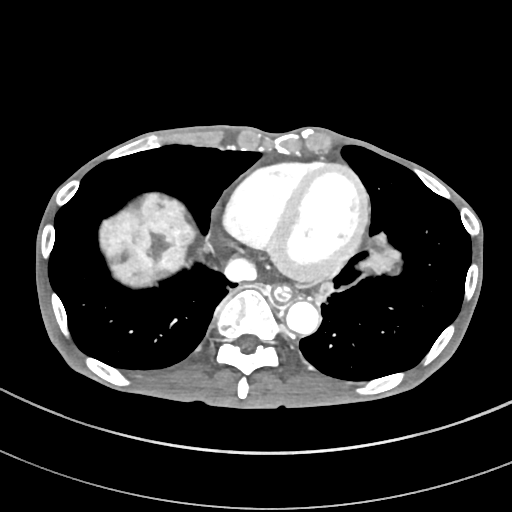

CT, abdomen/pelvis; axial view; 15 organs annotated in this scan (a whole-scan count: organs this slice does not pass through have no box)
Bounding boxes in pixels, one row per box: x1, y1 is the top-left corner and x2, y2 the bottom-right.
| organ | x1 | y1 | x2 | y2 |
|---|---|---|---|---|
| esophagus | 272 | 287 | 291 | 303 |
| liver | 99 | 193 | 399 | 301 |
| aorta | 285 | 301 | 320 | 334 |
| inferior vena cava | 225 | 257 | 256 | 281 |